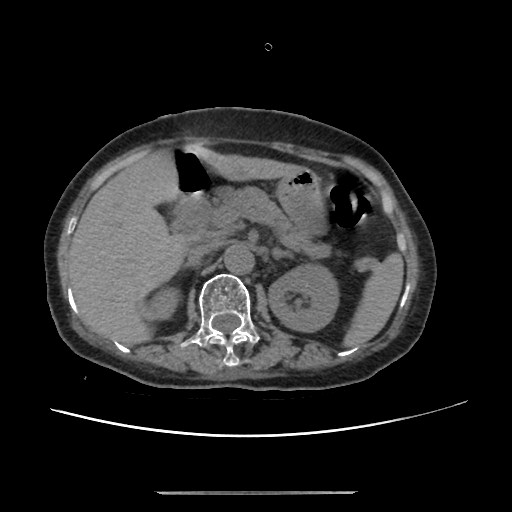

Computed tomography, abdomen · axial view · abdomen soft-tissue window · 512x512 px · scan has 14 labeled organs (counted over the whole 3D scan, not this slice; an organ is boxed only where this slice passes through it)
Bounding boxes as [x1, y1, x2, y2] in pixel coordinates.
Organ bounding boxes:
- spleen: [342, 252, 403, 348]
- right kidney: [142, 289, 178, 319]
- left kidney: [268, 265, 338, 332]
- liver: [68, 146, 307, 346]
- stomach: [277, 170, 326, 236]
- aorta: [224, 245, 255, 274]
- inferior vena cava: [187, 242, 217, 266]
- pancreas: [215, 187, 331, 258]
- right adrenal gland: [184, 265, 190, 269]
- left adrenal gland: [272, 248, 290, 255]
- duodenum: [170, 147, 209, 219]